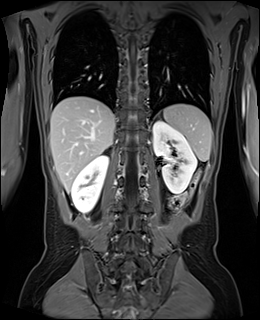 Abdominal MRI · coronal view · 1st–99th percentile window
Bounding boxes as [x1, y1, x2, y2] in pixel coordinates.
Organ bounding boxes:
- left kidney: [153, 121, 196, 193]
- spleen: [163, 104, 211, 161]
- liver: [50, 96, 115, 191]
- right kidney: [71, 155, 108, 212]